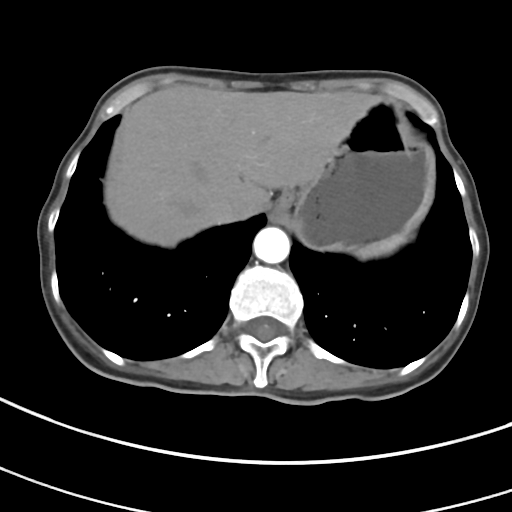
CT, abdomen/pelvis. Axial slice 70/118. SOMATOM Force scanner
Box edges are left/top/right/bottom in pixels.
stomach: left=276, top=99, right=435, bottom=252
aorta: left=253, top=227, right=290, bottom=263
inferior vena cava: left=206, top=194, right=245, bottom=223
spleen: left=357, top=233, right=408, bottom=258
liver: left=105, top=85, right=378, bottom=246
esophagus: left=272, top=189, right=294, bottom=221